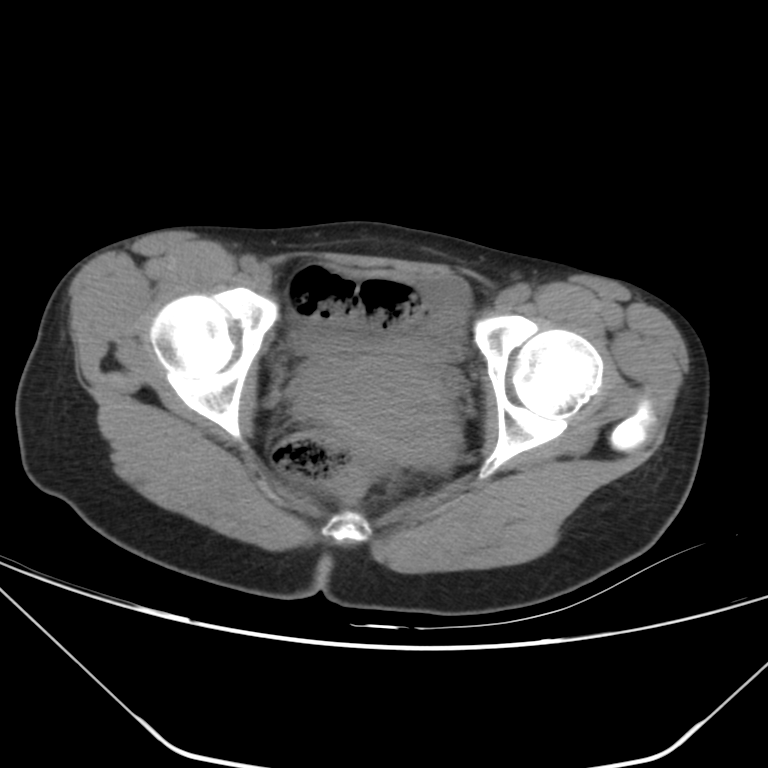
CT abdomen · axial view · soft-tissue window (W 400 / L 40) · 15 organs annotated in this scan (a whole-scan count: organs this slice does not pass through have no box)
Each box given as x1,y1,x2,y2.
bladder: x1=300, y1=276, x2=467, y2=360
prostate/uterus: x1=301, y1=355, x2=458, y2=467